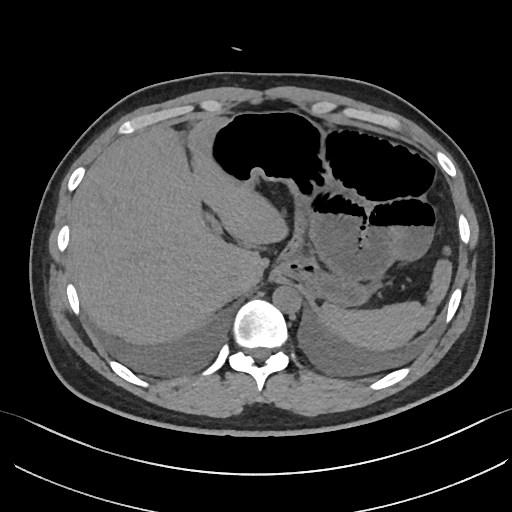
Computed tomography, abdomen · axial view · W/L 400/40 HU
Each box given as x1,y1,x2,y2.
aorta: x1=273, y1=285, x2=302, y2=313
stomach: x1=212, y1=112, x2=370, y2=304
spleen: x1=322, y1=260, x2=451, y2=349
liver: x1=69, y1=116, x2=288, y2=343
inferior vena cava: x1=223, y1=268, x2=242, y2=292